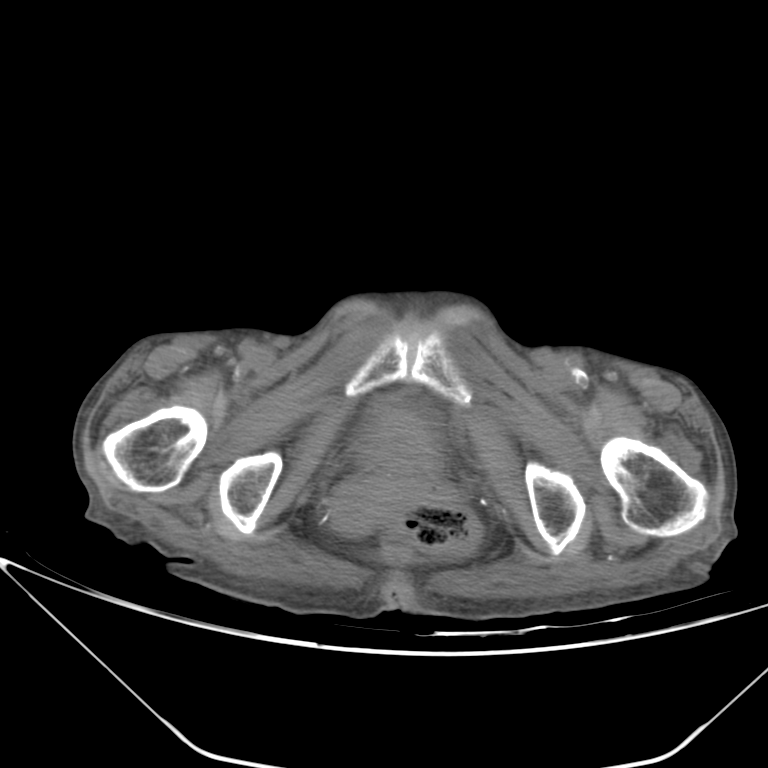
Abdominal CT; axial view; soft-tissue window; 768x768 px; 80-year-old female patient; acquired on Brilliance16
Boxes: x1:y1:x2:y2 in pixels.
Organ bounding boxes:
- bladder: 367:407:434:470
- prostate/uterus: 340:480:409:520